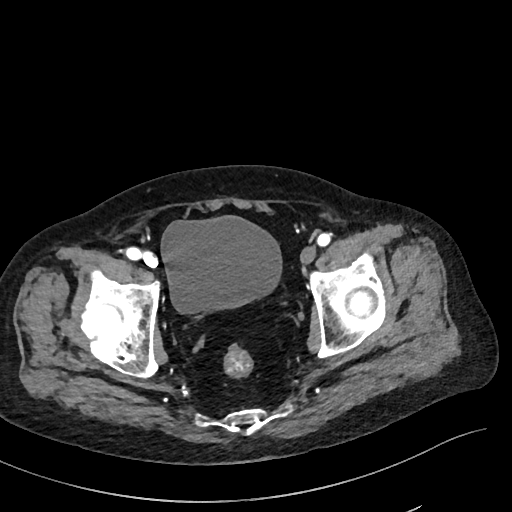

Computed tomography, abdomen — Axial slice 46/235
Each box given as x1,y1,x2,y2.
bladder: x1=161, y1=216, x2=280, y2=312